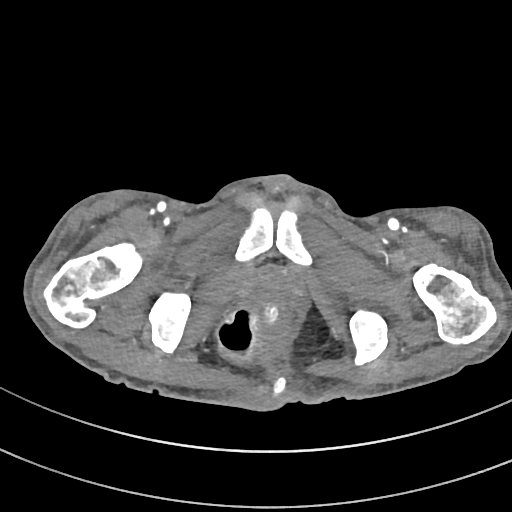

Computed tomography, abdomen — axial view — 512x512 px
<organs><organ name="prostate/uterus" x1="252" y1="274" x2="287" y2="306"/></organs>